Abdominal CT. Axial slice 193/307. 512x512 px
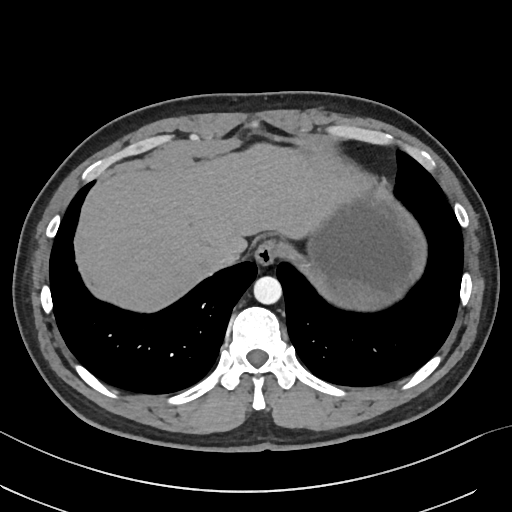 <organs><organ name="esophagus" x1="254" y1="241" x2="278" y2="266"/><organ name="liver" x1="83" y1="147" x2="360" y2="310"/><organ name="stomach" x1="308" y1="181" x2="426" y2="308"/><organ name="aorta" x1="254" y1="276" x2="282" y2="304"/><organ name="inferior vena cava" x1="209" y1="243" x2="242" y2="267"/></organs>